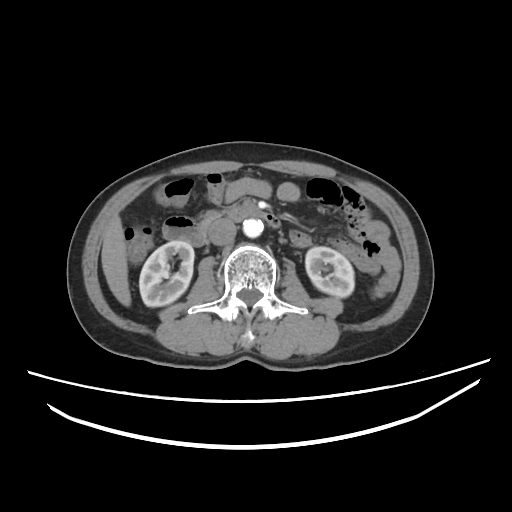

Abdominal CT; axial view; 63-year-old male patient
Boxes: x1:y1:x2:y2 in pixels.
liver: 101:216:131:306
aorta: 243:219:263:237
duodenum: 162:205:280:246
left kidney: 305:246:354:297
right kidney: 139:241:194:307
inferior vena cava: 208:218:236:245